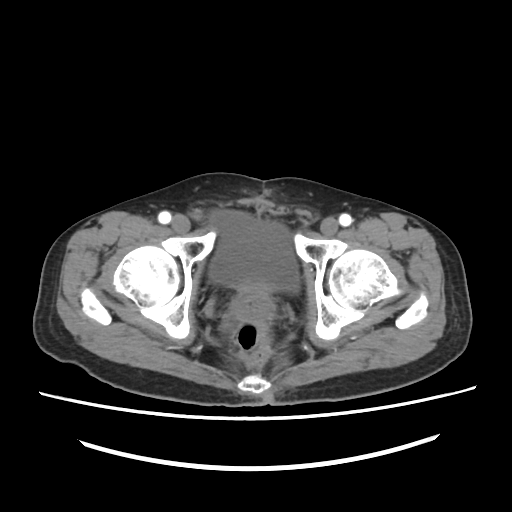

Computed tomography, abdomen. axial view. soft-tissue window (W 400 / L 40). scan has 15 labeled organs (a whole-scan count: organs this slice does not pass through have no box)
<organs><organ name="bladder" x1="209" y1="210" x2="299" y2="291"/><organ name="prostate/uterus" x1="238" y1="282" x2="268" y2="295"/></organs>